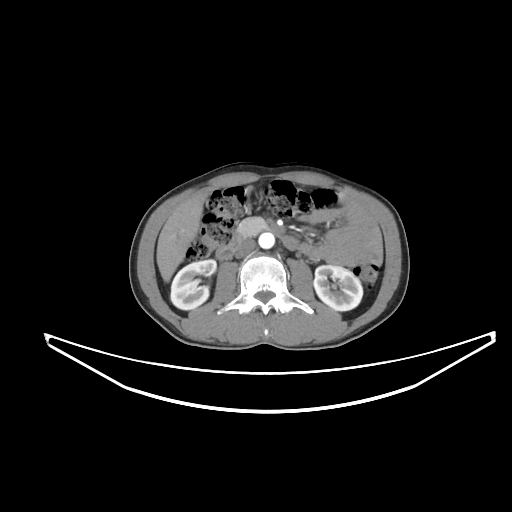

Abdominal CT; axial view; 512x512 px; 52-year-old male patient; acquired on Aquilion ONE; scan has 15 labeled organs (counted over the whole 3D scan, not this slice; an organ is boxed only where this slice passes through it)
Box edges are left/top/right/bottom in pixels. 7 labeled organs on this slice — right kidney at left=170, top=259, right=216, bottom=310; left kidney at left=313, top=265, right=362, bottom=310; liver at left=156, top=193, right=210, bottom=282; aorta at left=258, top=232, right=274, bottom=248; inferior vena cava at left=235, top=239, right=255, bottom=258; pancreas at left=237, top=217, right=268, bottom=236; duodenum at left=216, top=228, right=298, bottom=259.